Abdominal MRI; this slice is in the lower chest, just above the liver. axial plane, index 67. 1st–99th percentile window. 576x468 px. scan has 13 labeled organs (that count is for the whole scan; organs this slice misses have no box)
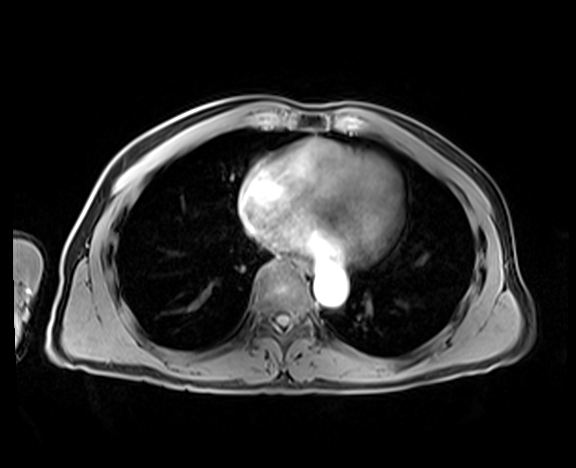
Of the structures in the chest, this dataset labels only the esophagus, the aorta and the inferior vena cava; the heart and lungs have no label.
<organs><organ name="esophagus" x1="295" y1="259" x2="311" y2="274"/><organ name="aorta" x1="314" y1="269" x2="347" y2="305"/></organs>